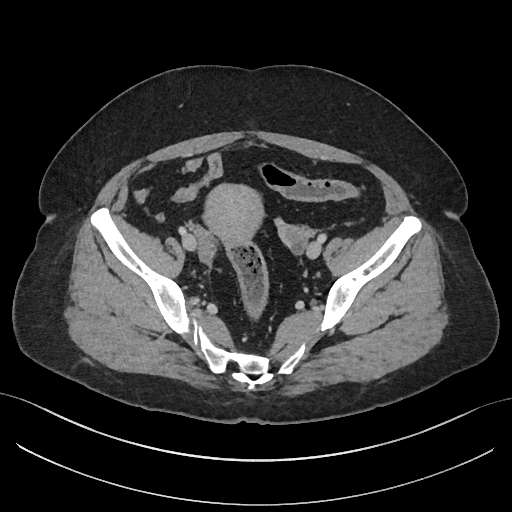

CT, abdomen/pelvis. Axial slice 60/305. soft-tissue window. 512x512 px. SOMATOM Force scanner
One row per box, in pixels: columns x1 and y1 give the top-left corner, x2 and y2 the bottom-right.
| organ | x1 | y1 | x2 | y2 |
|---|---|---|---|---|
| prostate/uterus | 204 | 183 | 264 | 247 |